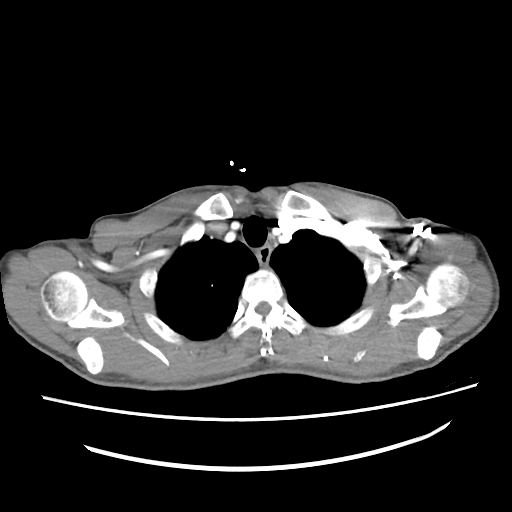
Abdominal CT reaching into the chest; this slice is in the chest — axial plane, index 126 — 512x512 px — 50-year-old male patient
At this level of the chest this dataset labels only the esophagus and the aorta, and each is boxed only where it is labeled; the heart and lungs are never labeled.
Each box given as x1,y1,x2,y2.
Organ bounding boxes:
- esophagus: x1=256, y1=245, x2=270, y2=266